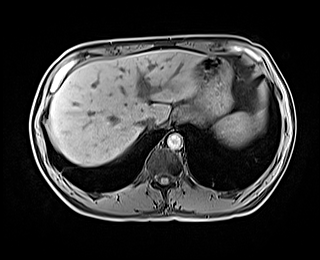 Abdominal MR · axial view · percentile-normalized · scan has 13 labeled organs (counted over the whole 3D scan, not this slice; an organ is boxed only where this slice passes through it)
<organs><organ name="liver" x1="47" y1="49" x2="205" y2="166"/><organ name="inferior vena cava" x1="138" y1="117" x2="156" y2="129"/><organ name="aorta" x1="167" y1="133" x2="182" y2="149"/><organ name="stomach" x1="175" y1="56" x2="231" y2="124"/><organ name="spleen" x1="216" y1="113" x2="257" y2="146"/></organs>